Abdominal MRI; coronal plane, index 68; 260x320 px; acquired on Prisma; scan has 13 labeled organs (counted over the whole 3D scan, not this slice; an organ is boxed only where this slice passes through it)
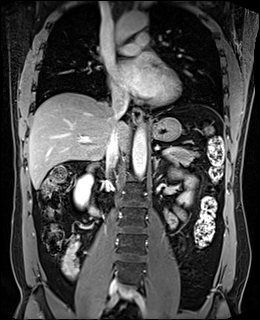
Boxes: x1 y1 x2 y2 (pixel coords, space-separated).
Organ bounding boxes:
- right kidney: 74 175 92 207
- left kidney: 172 171 195 204
- esophagus: 131 108 142 123
- liver: 28 92 129 188
- stomach: 150 118 181 141
- aorta: 111 11 148 45
- aorta: 132 128 146 178
- inferior vena cava: 106 95 128 170
- pancreas: 166 147 198 162
- left adrenal gland: 154 156 160 170
- duodenum: 87 166 100 216